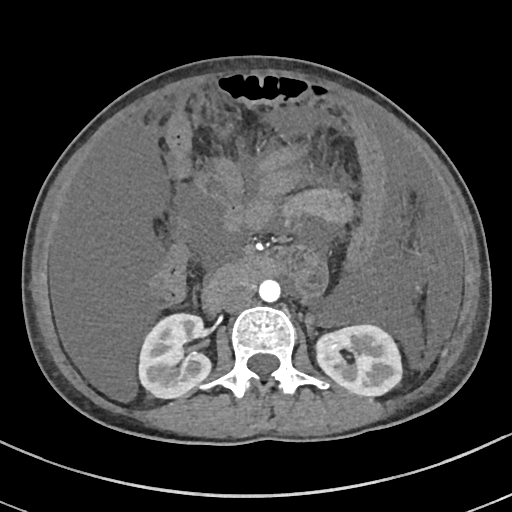

Computed tomography, abdomen. axial view. abdomen soft-tissue window. 15 organs annotated in this scan (that count is for the whole scan; organs this slice misses have no box)
Box edges are left/top/right/bottom in pixels.
Organ bounding boxes:
- right kidney: left=138, top=313, right=210, bottom=398
- left kidney: left=316, top=325, right=402, bottom=395
- aorta: left=259, top=279, right=280, bottom=302
- inferior vena cava: left=220, top=285, right=253, bottom=311
- duodenum: left=202, top=257, right=278, bottom=313